CT, abdomen/pelvis. axial plane, index 105. W/L 400/40 HU. SOMATOM Force scanner
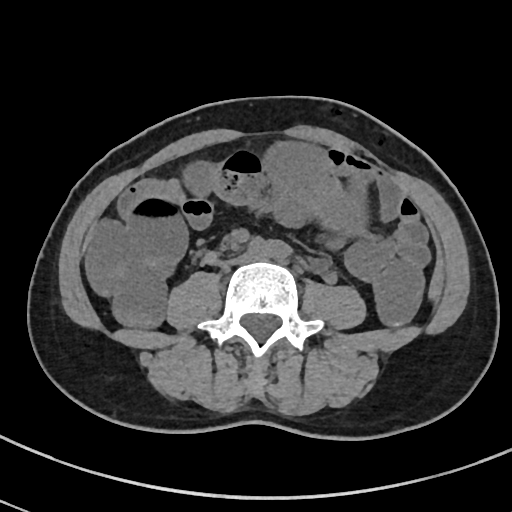
{"organs":{"aorta":[251,238,283,256],"inferior vena cava":[227,254,249,264]}}